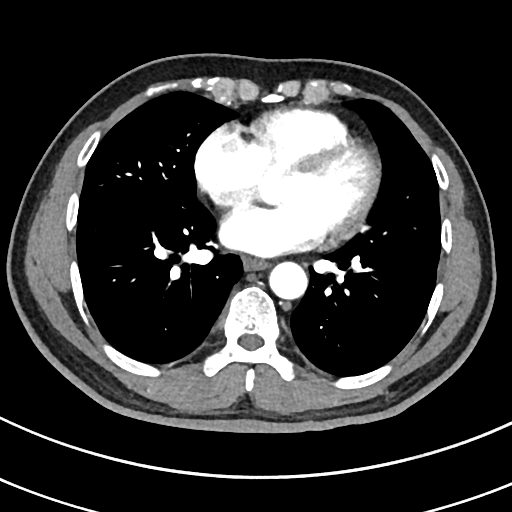 Abdominal CT; this slice is in the lower chest, just above the liver — axial plane, index 213
No part of the heart or lungs is labeled in this dataset, so neither has a box here. Box edges are left/top/right/bottom in pixels. The annotated organs in this slice are: esophagus at left=242, top=257, right=268, bottom=270, aorta at left=269, top=261, right=307, bottom=299.